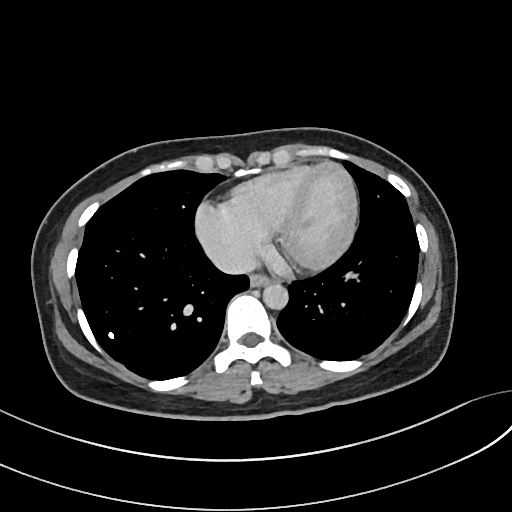 CT of the abdomen reaching into the lower chest, slice just above the liver and spleen. axial plane, index 214
Of the structures in the chest, this dataset labels only the esophagus, the aorta and the inferior vena cava; the heart and lungs have no label.
One row per box, in pixels: columns x1 and y1 give the top-left corner, x2 and y2 the bottom-right.
| organ | x1 | y1 | x2 | y2 |
|---|---|---|---|---|
| esophagus | 249 | 275 | 270 | 287 |
| aorta | 263 | 283 | 289 | 310 |
| inferior vena cava | 212 | 248 | 256 | 273 |